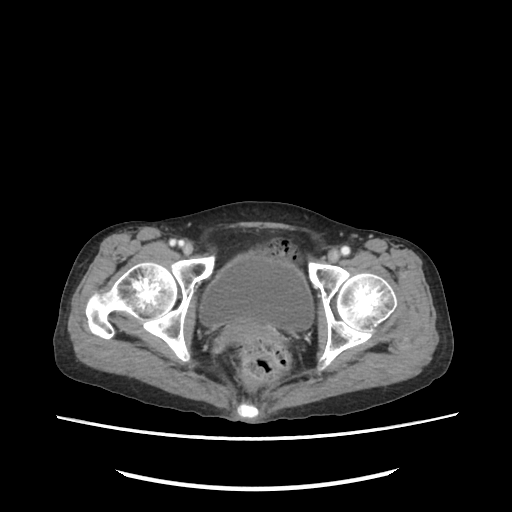

CT abdomen — axial plane, index 18 — abdomen soft-tissue window — 73-year-old female patient
Each box given as x1,y1,x2,y2. Labeled organs on this slice: bladder at x1=199, y1=258, x2=313, y2=332, prostate/uterus at x1=219, y1=320, x2=283, y2=345.